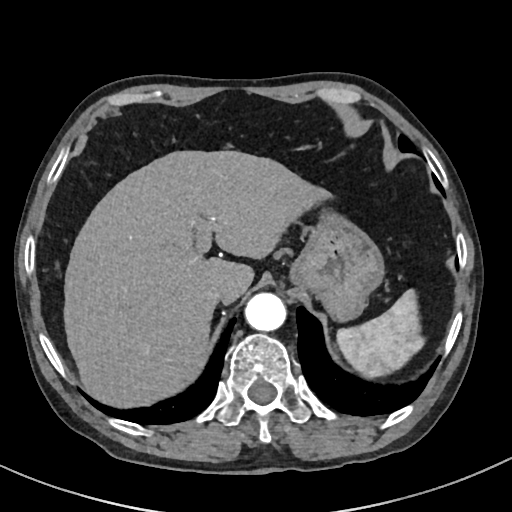
CT, abdomen/pelvis; axial view
Box edges are left/top/right/bottom in pixels.
Organ bounding boxes:
- spleen: left=337, top=289, right=424, bottom=378
- liver: left=63, top=150, right=329, bottom=408
- stomach: left=290, top=208, right=384, bottom=321
- aorta: left=245, top=293, right=286, bottom=331
- inferior vena cava: left=205, top=284, right=227, bottom=303